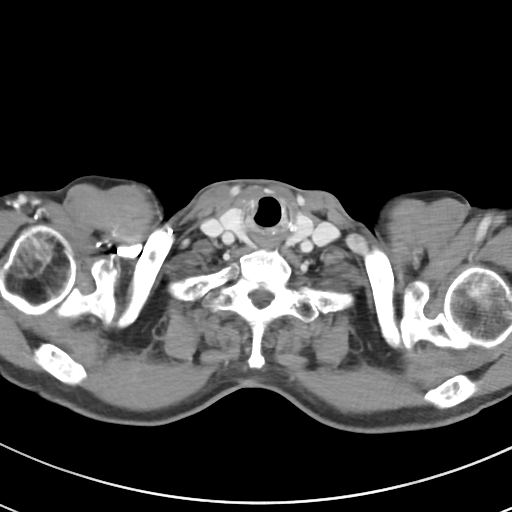 CT of the abdomen extending into the chest, slice through the chest; axial view; 512x512 px
On a slice this high in the chest, this dataset labels only the esophagus and the aorta, and each is boxed only where it is labeled; the heart, lungs and other chest structures are not labeled. Boxes: x1 y1 x2 y2 (pixel coords, space-separated). 1 labeled organ on this slice — esophagus at 261 232 278 248.